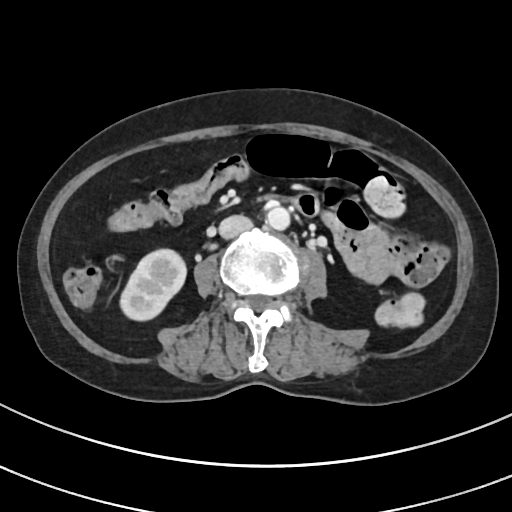 CT abdomen — axial plane, index 107 — soft-tissue window
Box edges are left/top/right/bottom in pixels.
Organ bounding boxes:
- right kidney: left=118, top=248, right=186, bottom=320
- aorta: left=266, top=206, right=290, bottom=230
- inferior vena cava: left=219, top=216, right=251, bottom=240